CT abdomen. axial view
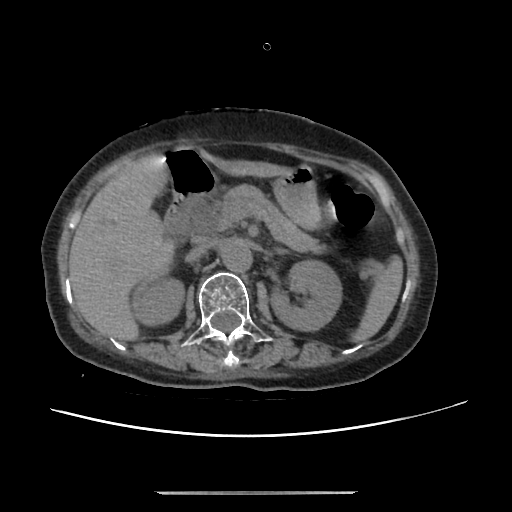

<organs><organ name="spleen" x1="353" y1="257" x2="403" y2="343"/><organ name="right kidney" x1="133" y1="279" x2="184" y2="324"/><organ name="left kidney" x1="270" y1="261" x2="341" y2="331"/><organ name="liver" x1="68" y1="150" x2="291" y2="342"/><organ name="stomach" x1="274" y1="167" x2="322" y2="229"/><organ name="aorta" x1="222" y1="241" x2="252" y2="273"/><organ name="inferior vena cava" x1="186" y1="242" x2="214" y2="262"/><organ name="pancreas" x1="209" y1="185" x2="328" y2="255"/><organ name="duodenum" x1="164" y1="149" x2="215" y2="237"/></organs>